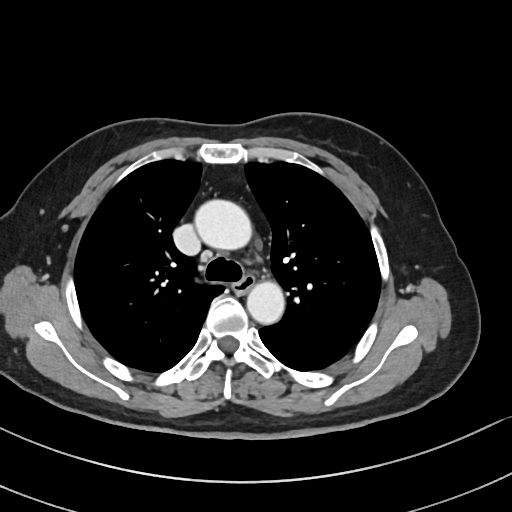 Chest-level CT slice, above the liver and spleen. axial view. soft-tissue window, W/L 400/40
At this level of the chest no structure but the esophagus and the aorta has a label in this dataset, and those two are boxed only where they are labeled.
{"organs":{"esophagus":[234,276,254,293],"aorta":[[194,199,251,250],[247,281,284,324]]}}